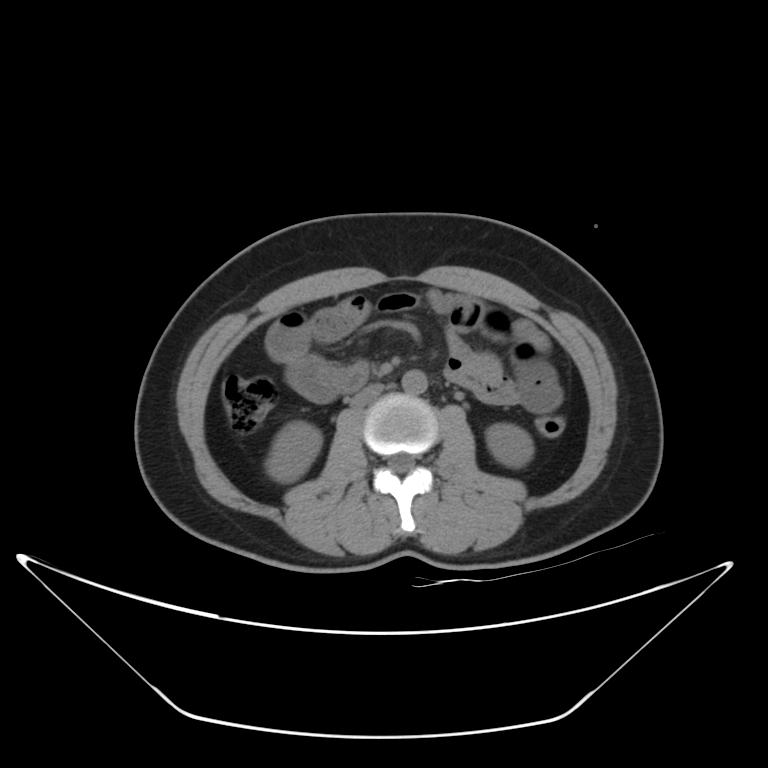 Computed tomography, abdomen · axial plane, index 58 · acquired on Brilliance16
Each box given as x1,y1,x2,y2.
Organ bounding boxes:
- aorta: x1=401, y1=369, x2=427, y2=394
- inferior vena cava: x1=349, y1=383, x2=383, y2=407
- right kidney: x1=265, y1=420, x2=321, y2=482
- left kidney: x1=486, y1=423, x2=533, y2=468